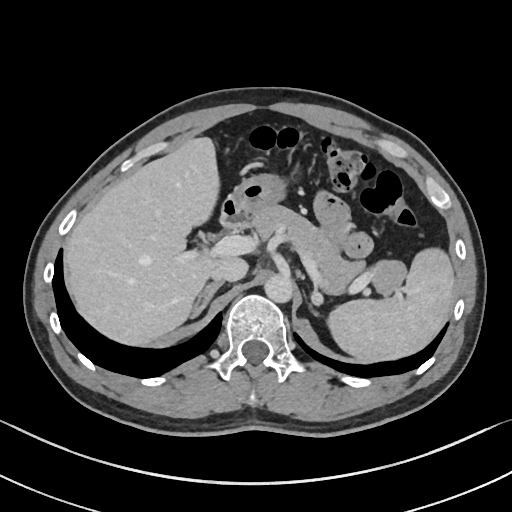 Abdominal CT; axial view; 512x512 px; 15 organs annotated in this scan (that count is for the whole scan; organs this slice misses have no box)
Bounding boxes in pixels, one row per box: x1, y1 is the top-left corner and x2, y2 the bottom-right.
| organ | x1 | y1 | x2 | y2 |
|---|---|---|---|---|
| spleen | 328 | 249 | 454 | 361 |
| liver | 65 | 137 | 248 | 344 |
| stomach | 231 | 174 | 287 | 221 |
| aorta | 264 | 275 | 293 | 303 |
| inferior vena cava | 211 | 258 | 246 | 282 |
| pancreas | 252 | 205 | 404 | 293 |
| right adrenal gland | 192 | 282 | 223 | 317 |
| left adrenal gland | 309 | 305 | 317 | 314 |
| duodenum | 221 | 196 | 251 | 230 |